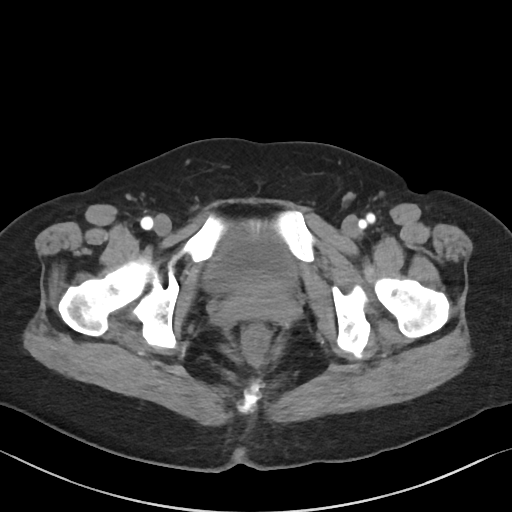

Computed tomography, abdomen — axial plane, index 5 — 15 organs annotated in this scan (counted over the whole 3D scan, not this slice; an organ is boxed only where this slice passes through it)
<organs><organ name="bladder" x1="204" y1="225" x2="297" y2="292"/></organs>